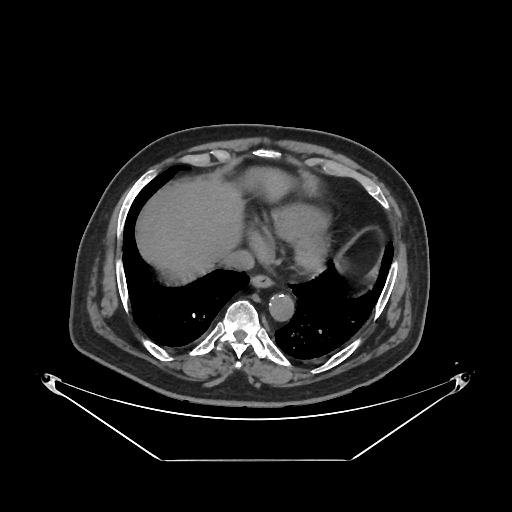 Abdominal CT · axial view · W/L 400/40 HU · 512x512 px · acquired on SOMATOM Force · scan has 15 labeled organs (counted over the whole 3D scan, not this slice; an organ is boxed only where this slice passes through it)
{"organs":{"inferior vena cava":[222,249,253,270],"liver":[133,168,299,272],"aorta":[268,292,293,320],"esophagus":[250,273,272,287]}}